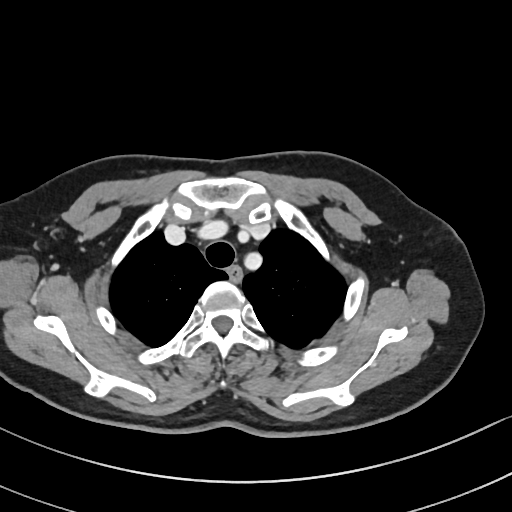
Chest-level slice from an abdominal CT that extends up into the chest — axial view
At this level of the chest this dataset labels only the esophagus and the aorta, and each is boxed only where it is labeled; the heart and lungs are never labeled.
{"organs":{"esophagus":[229,268,240,279]}}